CT, abdomen/pelvis — axial view — SOMATOM Force scanner
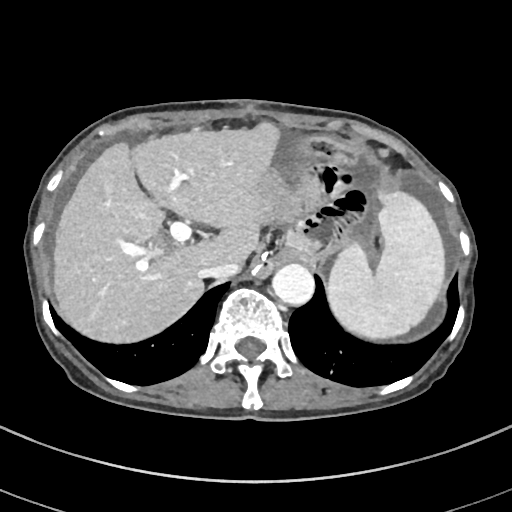 {"organs":{"inferior vena cava":[199,261,239,278],"liver":[53,121,280,343],"spleen":[327,189,445,339],"aorta":[271,263,314,305]}}